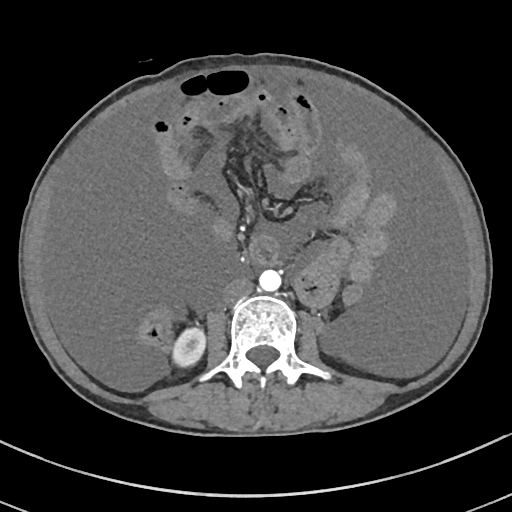 Computed tomography, abdomen · axial view · W/L 400/40 HU · acquired on SOMATOM Force
Boxes are (x1, y1, x2, y2) in pixels.
Organ bounding boxes:
- inferior vena cava: (222, 277, 253, 304)
- aorta: (259, 269, 281, 291)
- right kidney: (173, 328, 206, 366)